Computed tomography, abdomen · axial plane, index 57 · abdomen soft-tissue window
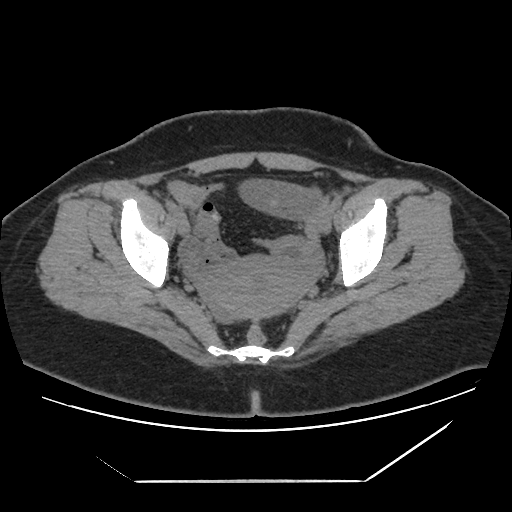 Box edges are left/top/right/bottom in pixels.
Organ bounding boxes:
- prostate/uterus: left=201, top=258, right=306, bottom=321